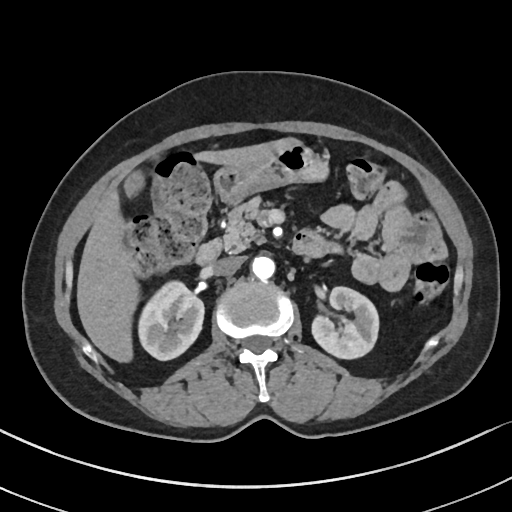
CT, abdomen/pelvis — axial view
Coordinates as <box>x1,y1,x2,y2</box> in pixels.
right kidney: <box>136,282,204,360</box>
left kidney: <box>311,286,378,357</box>
gall bladder: <box>124,173,142,192</box>
liver: <box>76,139,292,361</box>
stomach: <box>213,140,326,201</box>
aorta: <box>251,255,274,279</box>
inferior vena cava: <box>213,256,244,276</box>
pancreas: <box>222,196,264,252</box>
duodenum: <box>195,232,340,264</box>